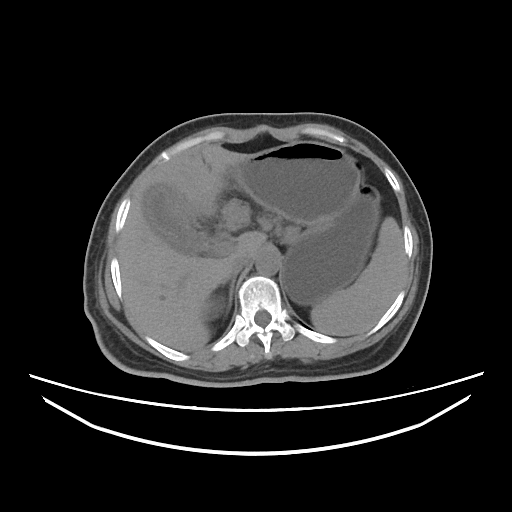 CT, abdomen/pelvis; axial view; soft-tissue window
Boxes: x1:y1:x2:y2 in pixels.
spleen: 310:217:405:335
right kidney: 206:297:223:318
gall bladder: 143:185:206:252
liver: 118:144:266:351
stomach: 206:141:380:304
aorta: 255:248:280:275
inferior vena cava: 231:251:255:272
right adrenal gland: 222:271:237:312